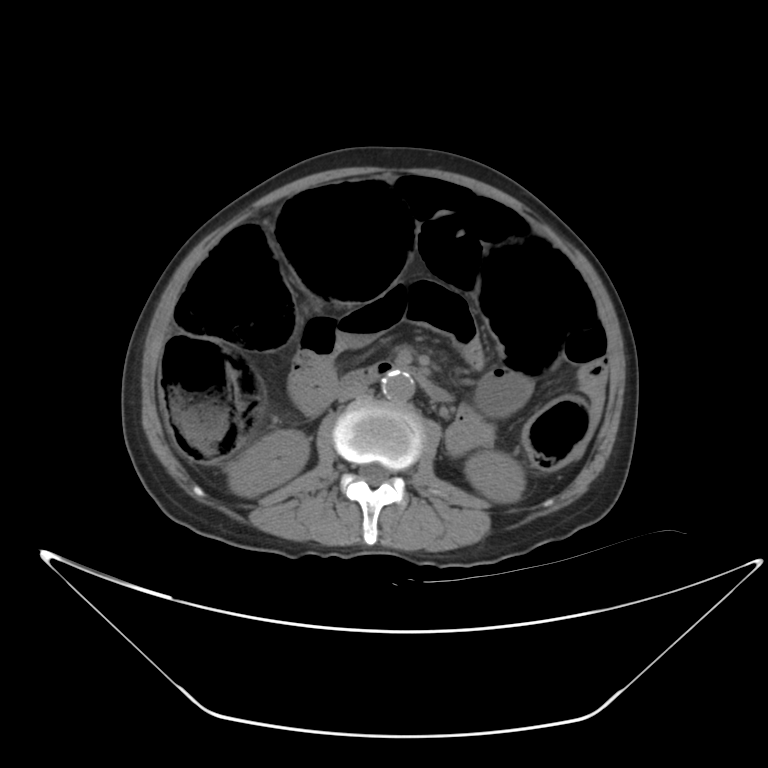 Computed tomography, abdomen. axial view. soft-tissue window. 768x768 px. 64-year-old male patient. Brilliance16 scanner
<organs><organ name="right kidney" x1="228" y1="430" x2="309" y2="496"/><organ name="left kidney" x1="465" y1="451" x2="524" y2="502"/><organ name="aorta" x1="382" y1="371" x2="414" y2="401"/><organ name="inferior vena cava" x1="337" y1="384" x2="368" y2="402"/><organ name="duodenum" x1="341" y1="361" x2="452" y2="401"/></organs>